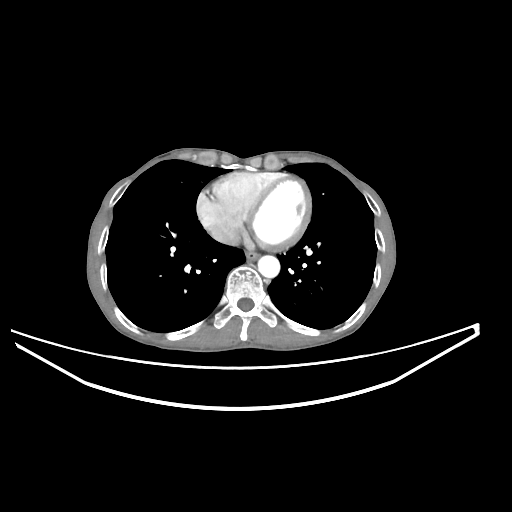
Lower-chest slice from an abdominal CT, just above the liver and spleen — Axial slice 88/131 — 512x512 px
The heart and lungs are never labeled in this dataset, so they have no box on this slice. Boxes: x1 y1 x2 y2 (pixel coords, space-separated). Labeled organs on this slice: aorta at 258 255 279 277, esophagus at 245 251 259 260, inferior vena cava at 211 227 239 245.